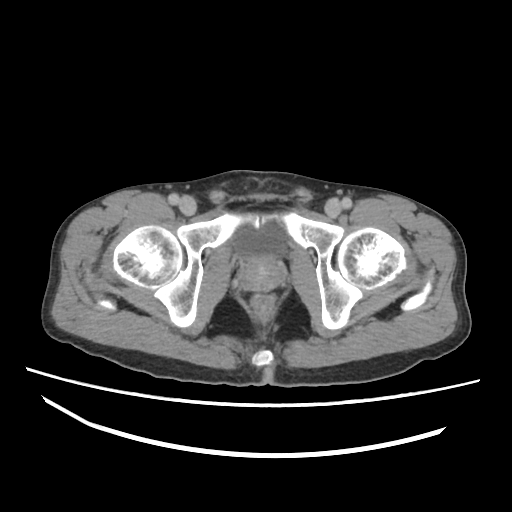 Computed tomography, abdomen. axial view. abdomen soft-tissue window. 15 organs annotated in this scan (counted over the whole 3D scan, not this slice; an organ is boxed only where this slice passes through it)
{"organs":{"bladder":[229,222,287,256],"prostate/uterus":[238,258,285,293]}}